CT, abdomen/pelvis. axial view. soft-tissue window. 512x512 px. scan has 15 labeled organs (counted over the whole 3D scan, not this slice; an organ is boxed only where this slice passes through it)
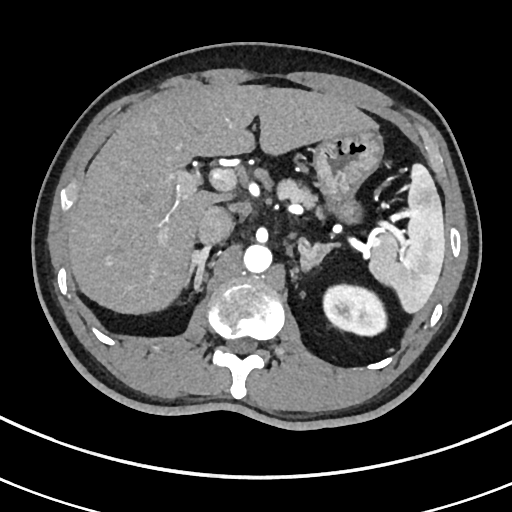

Bounding boxes in pixels, one row per box: x1, y1 is the top-left corner and x2, y2 the bottom-right.
| organ | x1 | y1 | x2 | y2 |
|---|---|---|---|---|
| right adrenal gland | 184 | 246 | 210 | 292 |
| liver | 66 | 84 | 379 | 315 |
| left kidney | 323 | 284 | 386 | 336 |
| left adrenal gland | 299 | 240 | 338 | 273 |
| pancreas | 275 | 178 | 399 | 260 |
| stomach | 313 | 132 | 383 | 222 |
| aorta | 243 | 245 | 272 | 273 |
| spleen | 369 | 165 | 445 | 313 |
| inferior vena cava | 197 | 206 | 233 | 244 |